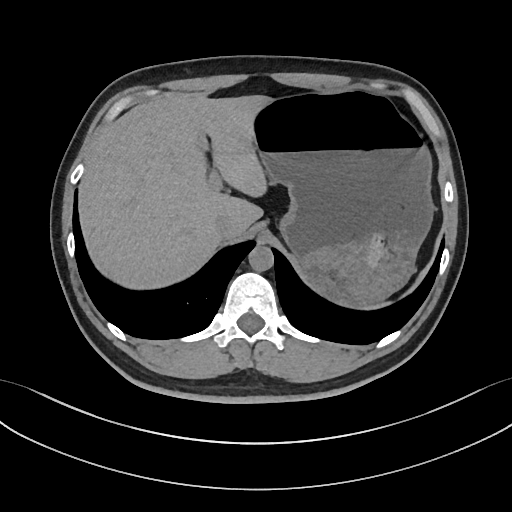
CT abdomen. axial view. W/L 400/40 HU
Boxes: x1:y1:x2:y2 in pixels.
Organ bounding boxes:
- stomach: 250:90:433:307
- spleen: 367:301:394:310
- inferior vena cava: 213:215:237:239
- aorta: 248:245:273:271
- liver: 77:93:269:289